CT, abdomen/pelvis; axial view; 512x512 px; acquired on SOMATOM Force
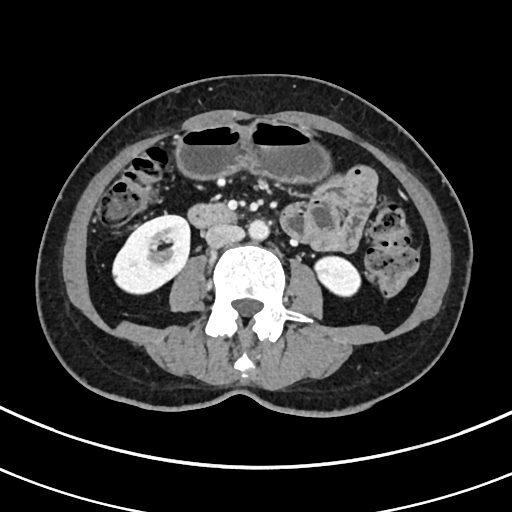

<organs><organ name="right kidney" x1="113" y1="215" x2="189" y2="293"/><organ name="left kidney" x1="315" y1="256" x2="360" y2="296"/><organ name="stomach" x1="176" y1="120" x2="328" y2="180"/><organ name="aorta" x1="248" y1="219" x2="269" y2="240"/><organ name="inferior vena cava" x1="205" y1="224" x2="244" y2="247"/><organ name="duodenum" x1="188" y1="204" x2="235" y2="228"/></organs>